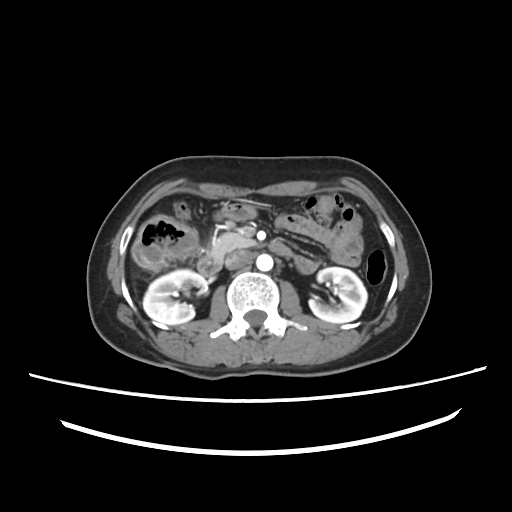 CT abdomen. axial view
Bounding boxes as [x1, y1, x2, y2] in pixel coordinates. The annotated organs in this slice are: right kidney at [143, 269, 205, 324], left kidney at [309, 267, 367, 323], aorta at [256, 254, 273, 271], inferior vena cava at [225, 250, 252, 269], pancreas at [211, 232, 256, 257], duodenum at [197, 240, 293, 276].